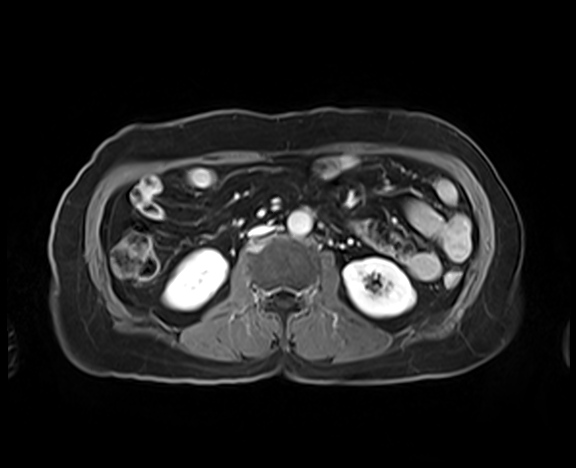
MRI, abdomen. axial view. Prisma scanner. 13 organs annotated in this scan (a whole-scan count: organs this slice does not pass through have no box)
Coordinates as <box>x1,y1,x2,y2</box> in pixels. The annotated organs in this slice are: right kidney at <box>164,249,227,310</box>, left kidney at <box>343,257,415,317</box>, aorta at <box>288,211,311,236</box>, inferior vena cava at <box>250,225,271,236</box>.